Computed tomography, abdomen; Axial slice 65/97; scan has 15 labeled organs (counted over the whole 3D scan, not this slice; an organ is boxed only where this slice passes through it)
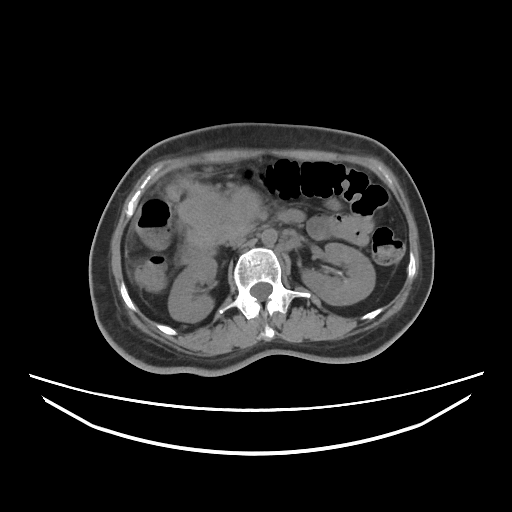

Boxes: x1:y1:x2:y2 in pixels. Labeled organs on this slice: aorta at 261:228:277:246, pancreas at 211:225:248:246, duodenum at 180:210:302:263, right kidney at 168:257:216:322, inferior vena cava at 228:229:250:246, stomach at 166:178:260:243, left kidney at 301:243:375:305.